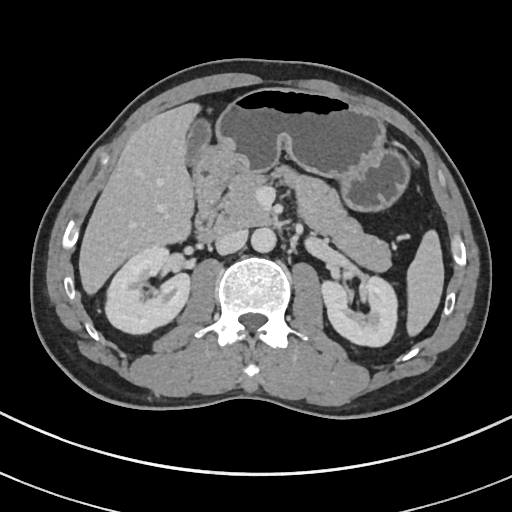
CT abdomen; axial view; abdomen soft-tissue window; acquired on SOMATOM Force
{"organs":{"spleen":[405,228,444,338],"right kidney":[106,248,191,334],"left kidney":[320,276,396,347],"gall bladder":[187,118,212,167],"liver":[78,101,202,296],"stomach":[194,88,410,212],"aorta":[251,228,276,253],"inferior vena cava":[216,230,247,254],"pancreas":[220,164,391,272],"duodenum":[195,196,230,241]}}